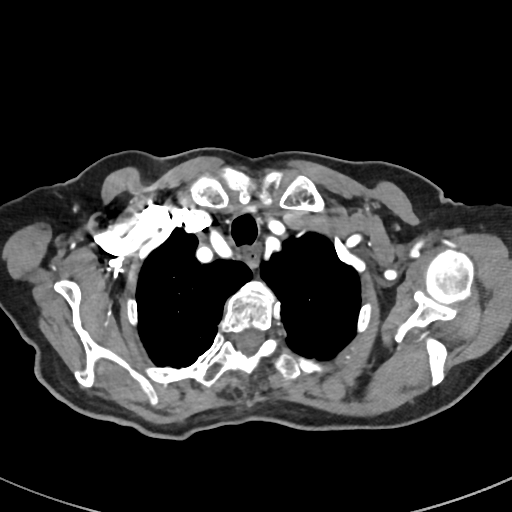
CT of the abdomen extending into the chest, slice through the chest; axial view; 512x512 px
At this level of the chest this dataset labels only the esophagus and the aorta, and each is boxed only where it is labeled; the heart and lungs are never labeled.
Bounding boxes as [x1, y1, x2, y2] in pixel coordinates.
esophagus: [246, 252, 258, 266]